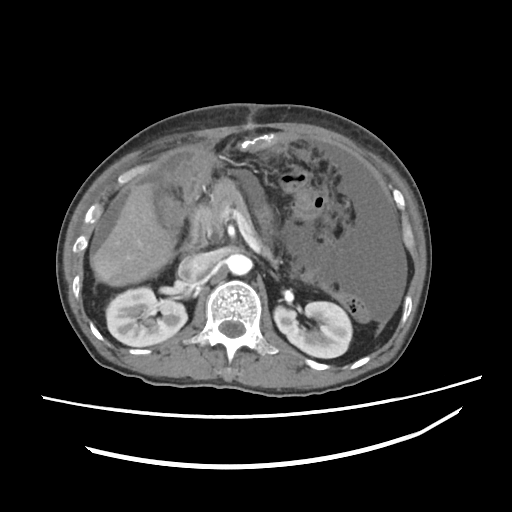

Computed tomography, abdomen. Axial slice 71/103
{"organs":{"right kidney":[105,286,187,346],"left kidney":[274,302,351,358],"liver":[91,183,172,284],"aorta":[228,254,252,276],"inferior vena cava":[178,251,219,287],"pancreas":[197,178,250,231],"left adrenal gland":[272,273,279,279],"duodenum":[183,207,209,250]}}